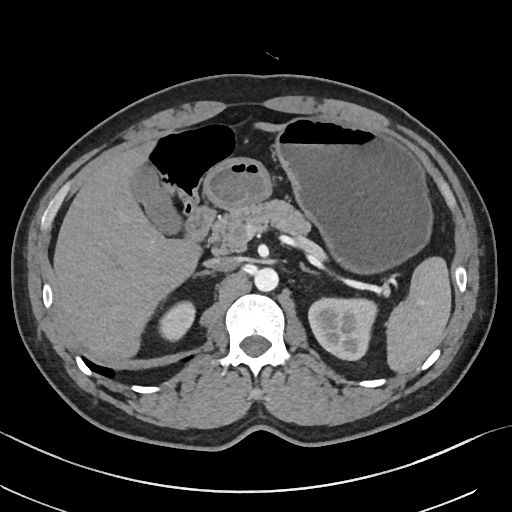 Computed tomography, abdomen · axial view · abdomen soft-tissue window · 512x512 px · scan has 15 labeled organs (that count is for the whole scan; organs this slice misses have no box)
<organs><organ name="stomach" x1="204" y1="116" x2="430" y2="270"/><organ name="left adrenal gland" x1="300" y1="264" x2="315" y2="273"/><organ name="gall bladder" x1="128" y1="160" x2="180" y2="233"/><organ name="duodenum" x1="184" y1="209" x2="215" y2="242"/><organ name="left kidney" x1="308" y1="297" x2="377" y2="360"/><organ name="inferior vena cava" x1="204" y1="257" x2="236" y2="271"/><organ name="aorta" x1="254" y1="267" x2="279" y2="291"/><organ name="right adrenal gland" x1="193" y1="270" x2="211" y2="275"/><organ name="spleen" x1="387" y1="255" x2="451" y2="372"/><organ name="pancreas" x1="209" y1="200" x2="311" y2="253"/><organ name="liver" x1="53" y1="123" x2="279" y2="361"/><organ name="right kidney" x1="161" y1="302" x2="196" y2="338"/></organs>